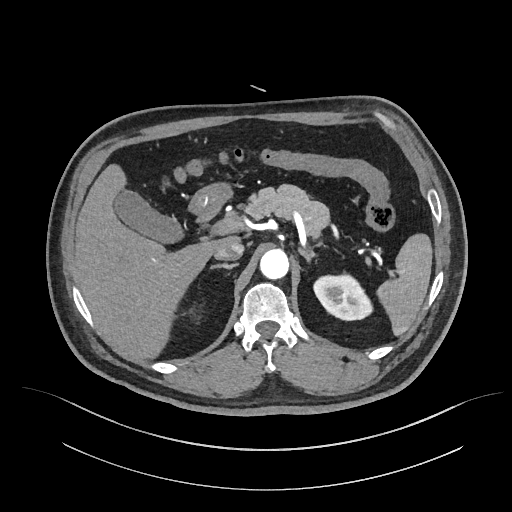

CT, abdomen/pelvis — axial view — 15 organs annotated in this scan (a whole-scan count: organs this slice does not pass through have no box)
<organs><organ name="spleen" x1="379" y1="230" x2="433" y2="335"/><organ name="left kidney" x1="312" y1="272" x2="373" y2="320"/><organ name="gall bladder" x1="112" y1="188" x2="186" y2="245"/><organ name="liver" x1="74" y1="165" x2="236" y2="358"/><organ name="stomach" x1="189" y1="184" x2="230" y2="214"/><organ name="aorta" x1="260" y1="248" x2="288" y2="278"/><organ name="inferior vena cava" x1="214" y1="242" x2="244" y2="260"/><organ name="pancreas" x1="241" y1="184" x2="330" y2="235"/><organ name="right adrenal gland" x1="210" y1="263" x2="237" y2="269"/><organ name="left adrenal gland" x1="299" y1="243" x2="323" y2="261"/><organ name="duodenum" x1="189" y1="202" x2="225" y2="224"/></organs>